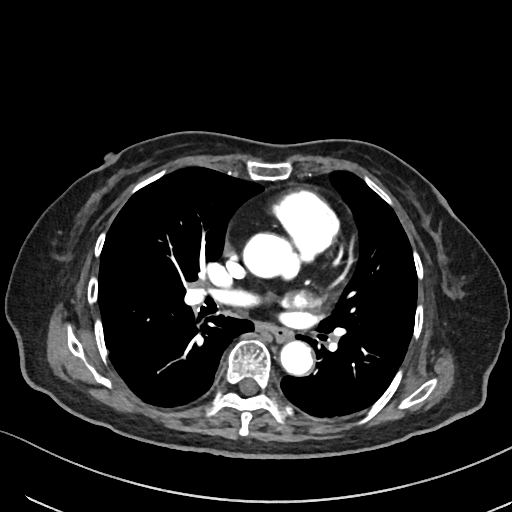
CT of the abdomen reaching into the lower chest, slice just above the liver and spleen; axial view; soft-tissue window; scan has 15 labeled organs (that count is for the whole scan; organs this slice misses have no box)
Of the structures in the chest, this dataset labels only the esophagus, the aorta and the inferior vena cava; the heart and lungs have no label. Boxes are (x1, y1, x2, y2) in pixels. Labeled organs on this slice: esophagus at (269, 326, 292, 341), aorta at (245, 234, 296, 277), aorta at (279, 340, 311, 374).